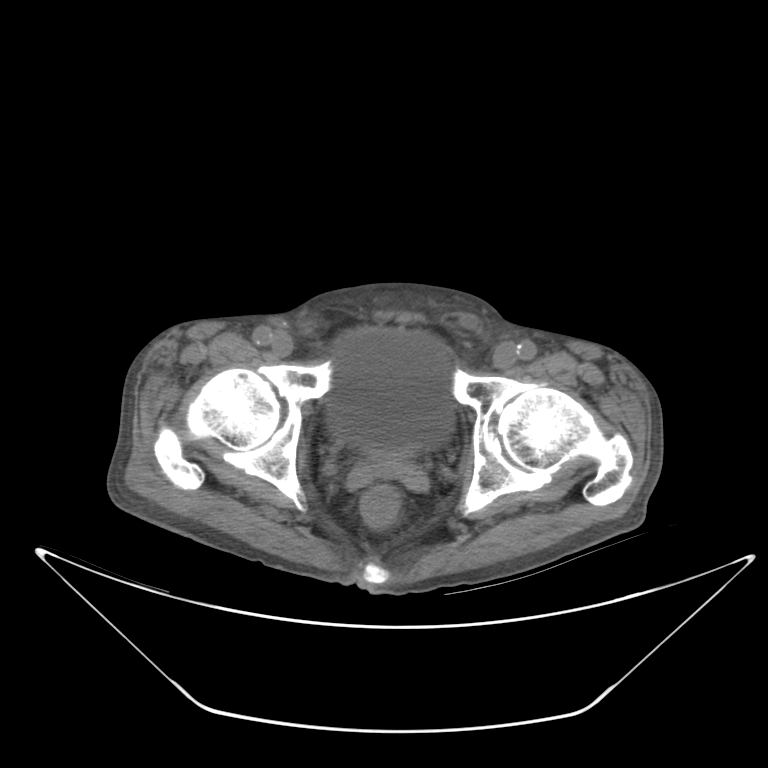
Computed tomography, abdomen · Axial slice 19/95 · W/L 400/40 HU · 68-year-old male patient
Each box given as x1,y1,x2,y2.
bladder: x1=326, y1=328, x2=458, y2=447